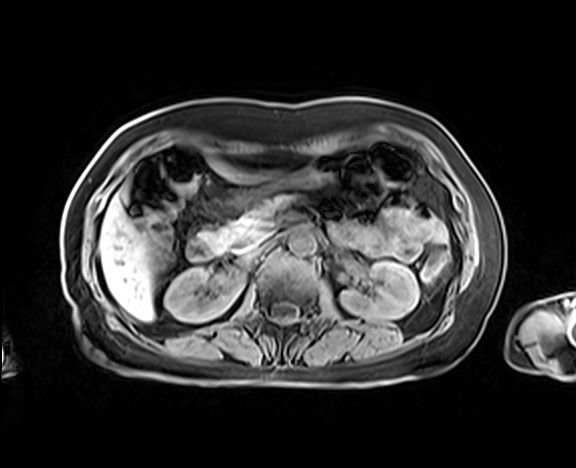
Magnetic resonance imaging, abdomen; axial plane, index 27; percentile-normalized; 12 organs annotated in this scan (a whole-scan count: organs this slice does not pass through have no box)
<organs><organ name="stomach" x1="229" y1="151" x2="343" y2="207"/><organ name="duodenum" x1="186" y1="236" x2="220" y2="260"/><organ name="left kidney" x1="340" y1="261" x2="418" y2="319"/><organ name="aorta" x1="289" y1="230" x2="316" y2="254"/><organ name="pancreas" x1="201" y1="196" x2="289" y2="251"/><organ name="inferior vena cava" x1="246" y1="241" x2="273" y2="258"/><organ name="right kidney" x1="164" y1="268" x2="244" y2="322"/><organ name="liver" x1="99" y1="160" x2="253" y2="321"/></organs>